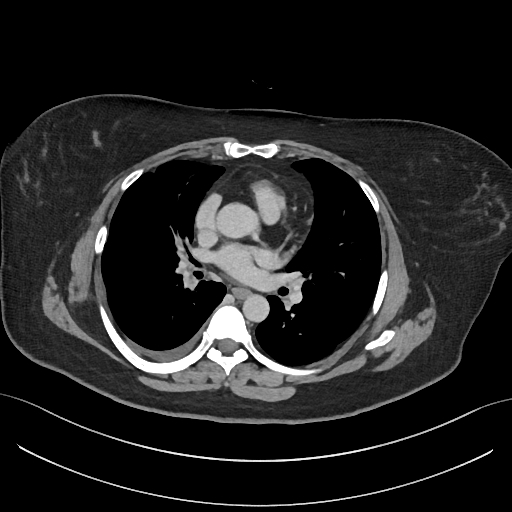 CT of the abdomen extending into the chest, slice through the chest; axial view; soft-tissue window, W/L 400/40; SOMATOM Force scanner; scan has 15 labeled organs (a whole-scan count: organs this slice does not pass through have no box)
On a slice this high in the chest, this dataset labels only the esophagus and the aorta, and each is boxed only where it is labeled; the heart, lungs and other chest structures are not labeled.
Boxes: x1:y1:x2:y2 in pixels.
aorta: 216:203:257:237
aorta: 242:294:269:322
esophagus: 232:287:250:298